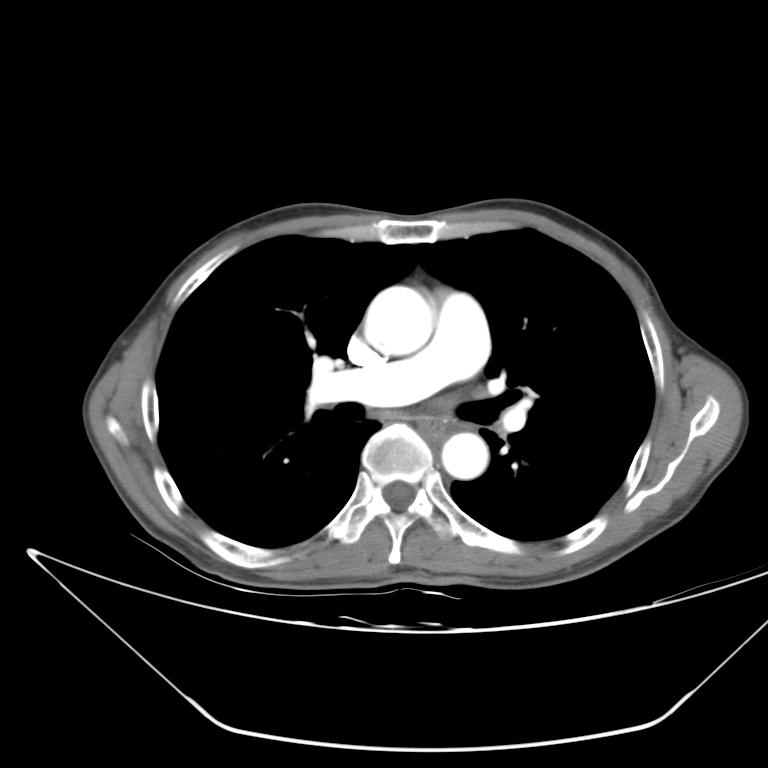 Chest-level CT slice, above the liver and spleen — axial view — 62-year-old male patient
At this level of the chest this dataset labels only the esophagus and the aorta, and each is boxed only where it is labeled; the heart and lungs are never labeled.
Each box given as x1,y1,x2,y2.
esophagus: x1=420, y1=417, x2=446, y2=436
aorta: x1=365, y1=286, x2=433, y2=354
aorta: x1=442, y1=433, x2=488, y2=479